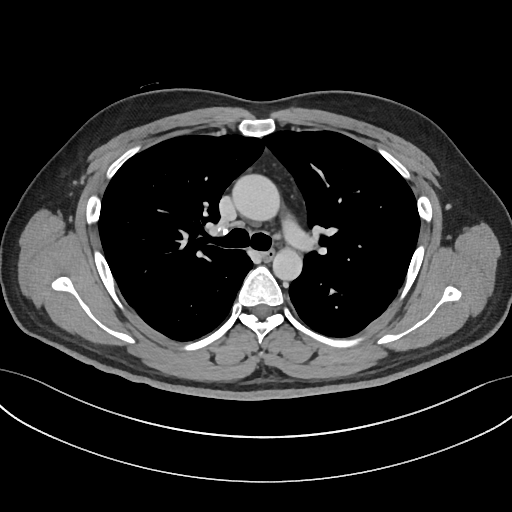

Chest-level slice from an abdominal CT that extends up into the chest. axial plane, index 292
At this level of the chest this dataset labels only the esophagus and the aorta, and each is boxed only where it is labeled; the heart and lungs are never labeled.
Coordinates as <box>x1,y1,x2,y2</box> in pixels.
Organ bounding boxes:
- aorta: <box>233,175,281,222</box>
- aorta: <box>272,246,302,279</box>
- esophagus: <box>262,248,273,260</box>